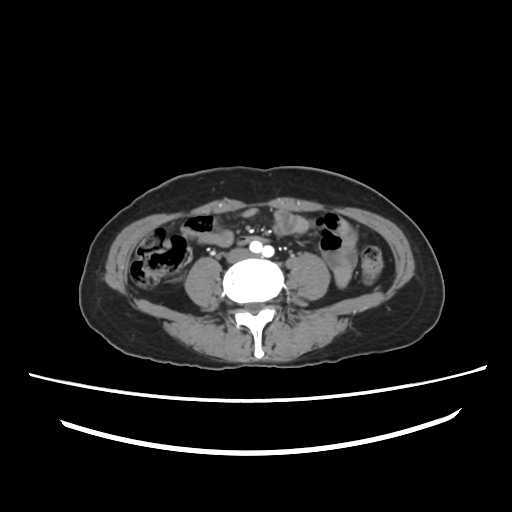
Abdominal CT. axial view. soft-tissue window
Each box given as x1,y1,x2,y2.
inferior vena cava: x1=228, y1=249, x2=249, y2=261